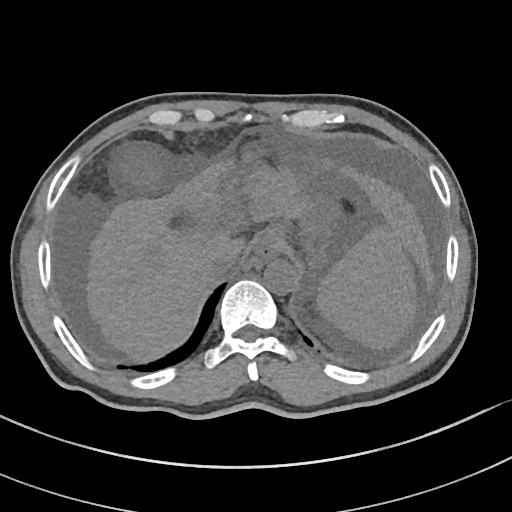
CT, abdomen/pelvis. axial view. soft-tissue window (W 400 / L 40). 512x512 px
Coordinates as <box>x1,y1,x2,y2</box> in pixels.
Organ bounding boxes:
- aorta: <box>264,260,298,295</box>
- spleen: <box>317,225,415,346</box>
- esophagus: <box>254,242,276,259</box>
- liver: <box>86,152,433,358</box>
- inferior vena cava: <box>206,251,237,279</box>
- gall bladder: <box>125,150,159,186</box>
- stomach: <box>258,173,349,269</box>